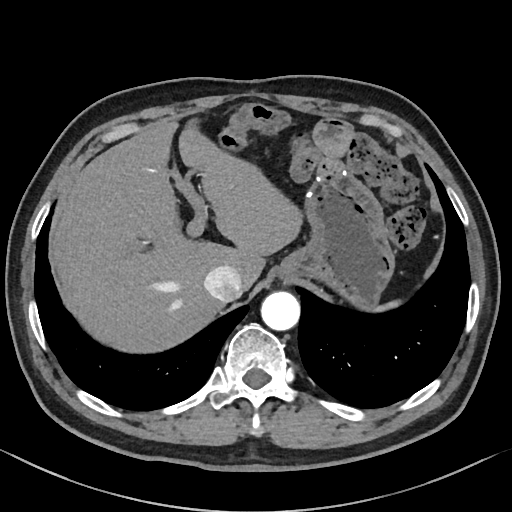
Abdominal CT; Axial slice 180/245; scan has 15 labeled organs (counted over the whole 3D scan, not this slice; an organ is boxed only where this slice passes through it)
Boxes are (x1, y1, x2, y2) in pixels.
Organ bounding boxes:
- inferior vena cava: (204, 266, 242, 303)
- aorta: (260, 291, 300, 330)
- stomach: (280, 169, 395, 309)
- spleen: (372, 299, 398, 311)
- liver: (53, 121, 303, 352)